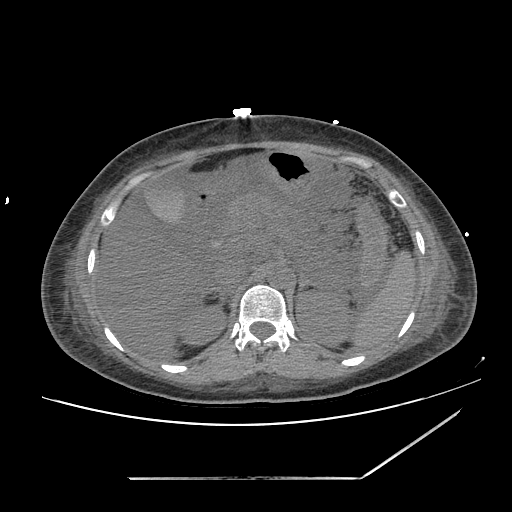 Abdominal CT — axial view — soft-tissue window — SOMATOM Force scanner — 15 organs annotated in this scan (a whole-scan count: organs this slice does not pass through have no box)
Boxes: x1 y1 x2 y2 (pixel coords, space-separated). Labeled organs on this slice: spleen at 351 251 415 348, right kidney at 176 304 226 345, left kidney at 296 290 352 346, gall bladder at 145 177 185 222, liver at 96 194 199 358, stomach at 257 150 315 195, aorta at 267 265 292 288, inferior vena cava at 215 261 246 292, pancreas at 224 191 312 293, right adrenal gland at 197 289 227 303, left adrenal gland at 298 273 313 292, duodenum at 189 188 216 247.